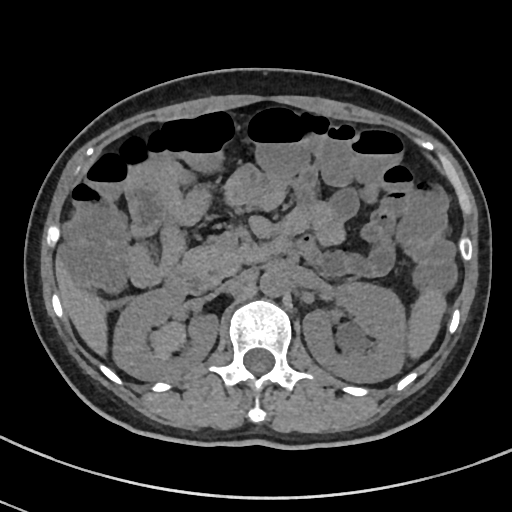
Abdominal CT · axial view · 512x512 px
{"organs":{"spleen":[408,289,443,357],"right kidney":[114,289,218,380],"left kidney":[301,283,404,382],"liver":[56,259,105,353],"aorta":[259,269,288,298],"inferior vena cava":[216,274,245,293],"pancreas":[177,239,246,286],"duodenum":[161,238,288,295]}}